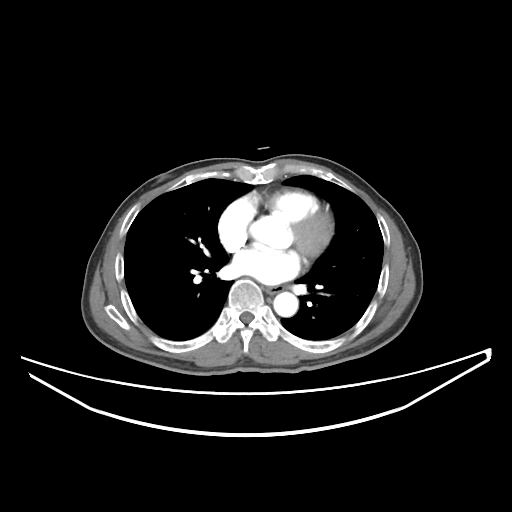 CT of the abdomen reaching into the lower chest, slice just above the liver and spleen — axial view — soft-tissue window — 512x512 px
The heart and lungs are never labeled in this dataset, so they have no box on this slice.
Organ boxes in pixel coordinates; each row gives the top-left (x1, y1) and bottom-right (x2, y2) corners.
| organ | x1 | y1 | x2 | y2 |
|---|---|---|---|---|
| aorta | 273 | 292 | 298 | 317 |
| esophagus | 265 | 286 | 281 | 294 |